CT abdomen · axial view
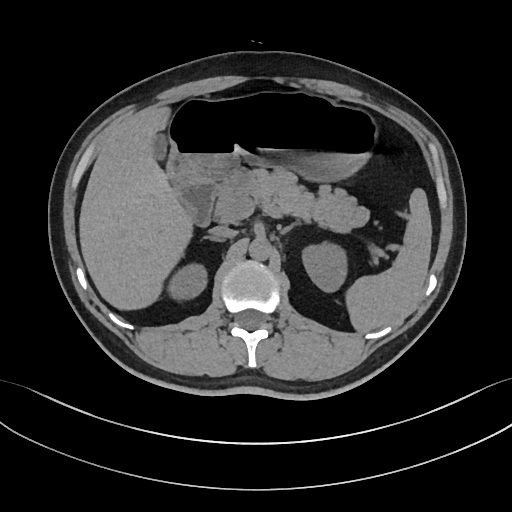
Boxes are (x1, y1, x2, y2) in pixels.
spleen: (348, 187, 432, 333)
right kidney: (171, 266, 205, 297)
left kidney: (303, 245, 347, 290)
gall bladder: (152, 132, 168, 161)
liver: (78, 106, 190, 310)
stomach: (168, 91, 380, 184)
aorta: (249, 237, 271, 261)
inferior vena cava: (210, 225, 236, 237)
pancreas: (217, 168, 369, 232)
right adrenal gland: (204, 235, 224, 241)
left adrenal gland: (279, 224, 294, 234)
duodenum: (174, 177, 217, 226)